CT, abdomen/pelvis. Axial slice 20/134. abdomen soft-tissue window. 512x512 px. scan has 15 labeled organs (a whole-scan count: organs this slice does not pass through have no box)
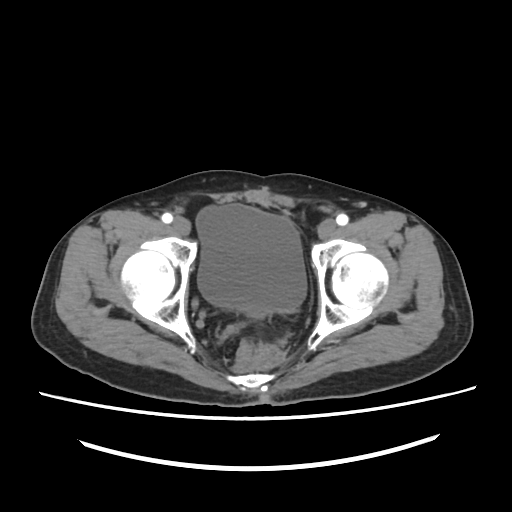
<organs><organ name="bladder" x1="196" y1="204" x2="306" y2="316"/></organs>